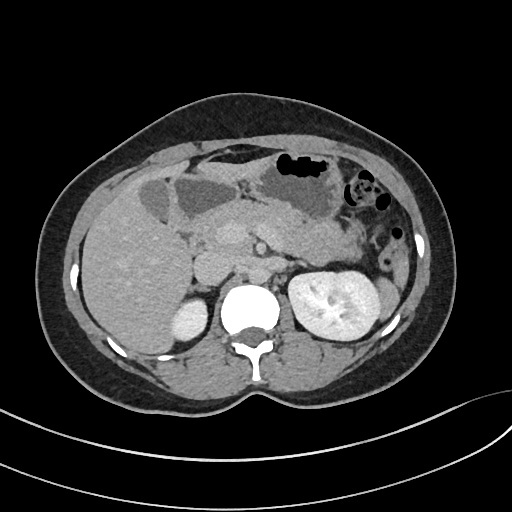
Abdominal CT. axial view. SOMATOM Force scanner
<organs><organ name="right adrenal gland" x1="191" y1="285" x2="210" y2="290"/><organ name="aorta" x1="246" y1="265" x2="267" y2="284"/><organ name="inferior vena cava" x1="194" y1="250" x2="235" y2="286"/><organ name="spleen" x1="376" y1="254" x2="410" y2="322"/><organ name="pancreas" x1="201" y1="198" x2="362" y2="262"/><organ name="liver" x1="81" y1="156" x2="271" y2="355"/><organ name="duodenum" x1="171" y1="221" x2="205" y2="253"/><organ name="stomach" x1="168" y1="151" x2="344" y2="224"/><organ name="right kidney" x1="170" y1="300" x2="207" y2="339"/><organ name="gall bladder" x1="140" y1="178" x2="172" y2="221"/><organ name="left kidney" x1="288" y1="271" x2="379" y2="341"/></organs>